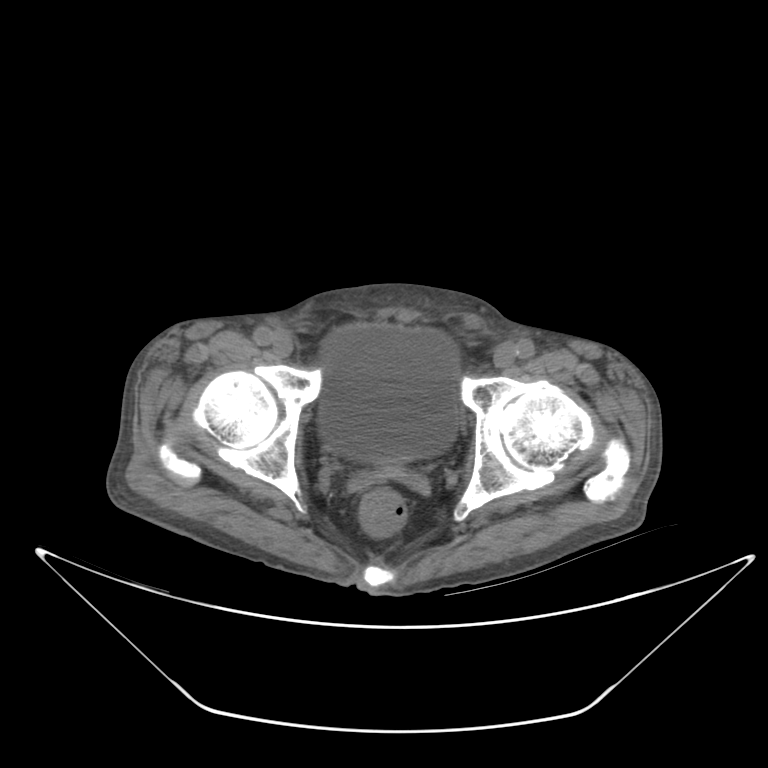 CT, abdomen/pelvis; axial view; 768x768 px; 68-year-old male patient
<organs><organ name="bladder" x1="319" y1="326" x2="464" y2="461"/></organs>